Abdominal CT; this slice is in the lower chest, just above the liver; Axial slice 206/279; W/L 400/40 HU; 512x512 px
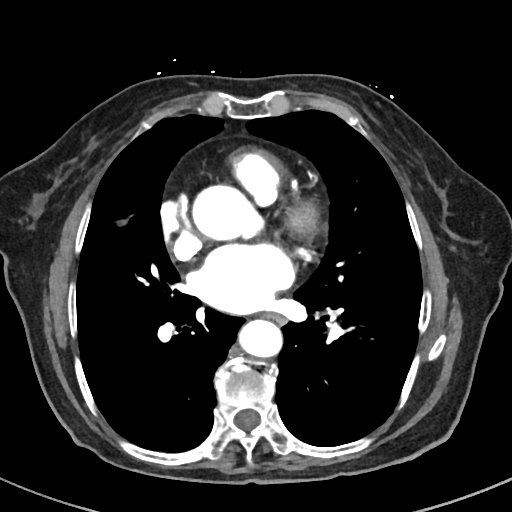
Of the structures in the chest, this dataset labels only the esophagus, the aorta and the inferior vena cava; the heart and lungs have no label.
<organs><organ name="esophagus" x1="265" y1="313" x2="286" y2="323"/><organ name="aorta" x1="192" y1="185" x2="265" y2="241"/><organ name="aorta" x1="238" y1="319" x2="282" y2="358"/></organs>